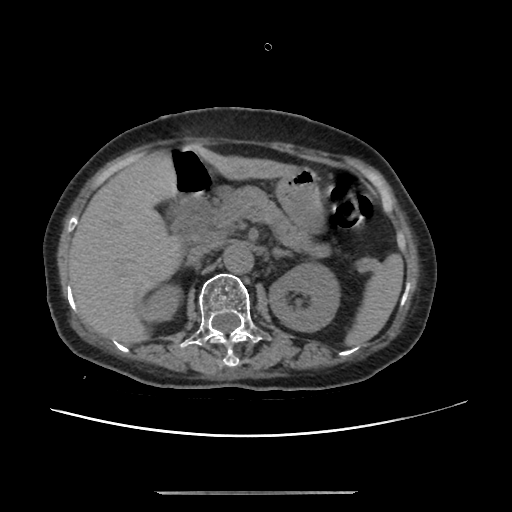
Abdominal CT; axial view; abdomen soft-tissue window
Organ boxes in pixel coordinates; each row gives the top-left (x1, y1) and bottom-right (x2, y2) corners.
| organ | x1 | y1 | x2 | y2 |
|---|---|---|---|---|
| spleen | 349 | 254 | 403 | 343 |
| right kidney | 141 | 284 | 181 | 321 |
| left kidney | 270 | 261 | 341 | 331 |
| liver | 68 | 150 | 292 | 342 |
| stomach | 274 | 167 | 322 | 229 |
| aorta | 222 | 241 | 252 | 273 |
| inferior vena cava | 186 | 242 | 214 | 262 |
| pancreas | 209 | 185 | 328 | 255 |
| left adrenal gland | 275 | 248 | 286 | 254 |
| duodenum | 166 | 150 | 215 | 237 |